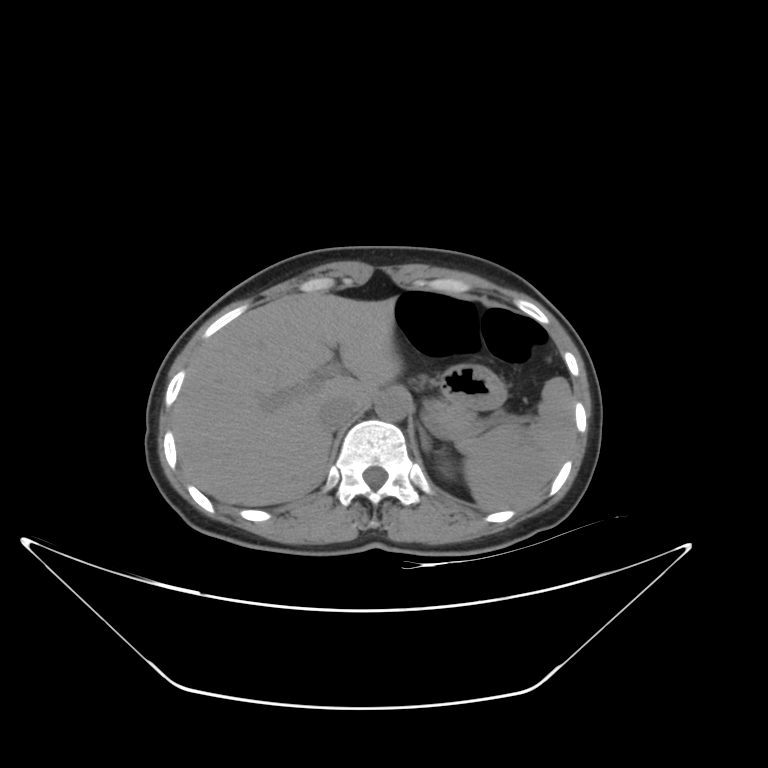

CT, abdomen/pelvis; Axial slice 80/99
Each box given as x1,y1,x2,y2.
Organ bounding boxes:
- pancreas: x1=424, y1=399, x2=481, y2=452
- spleen: x1=463, y1=376, x2=574, y2=509
- stomach: x1=441, y1=364, x2=506, y2=409
- aorta: x1=375, y1=390, x2=409, y2=421
- left adrenal gland: x1=418, y1=426, x2=429, y2=452
- liver: x1=172, y1=293, x2=402, y2=505
- inferior vena cava: x1=319, y1=398, x2=358, y2=430